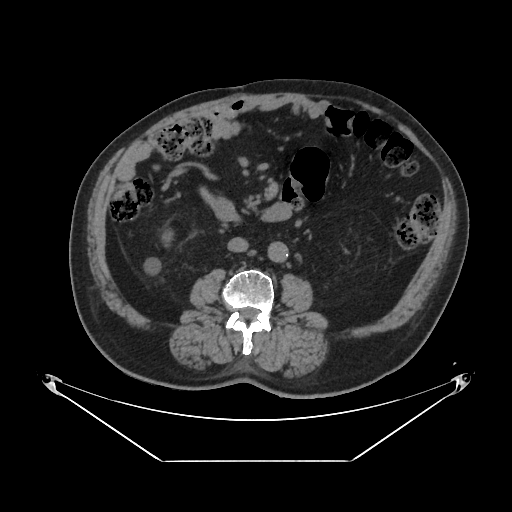
CT abdomen · axial view · soft-tissue window (W 400 / L 40) · 512x512 px · 15 organs annotated in this scan (that count is for the whole scan; organs this slice misses have no box)
Bounding boxes as [x1, y1, x2, y2] in pixel coordinates. Labeled organs on this slice: duodenum at [215, 198, 235, 221], aorta at [268, 241, 288, 262], right kidney at [161, 232, 172, 241], inferior vena cava at [227, 237, 248, 251].